Abdominal CT. Axial slice 61/83
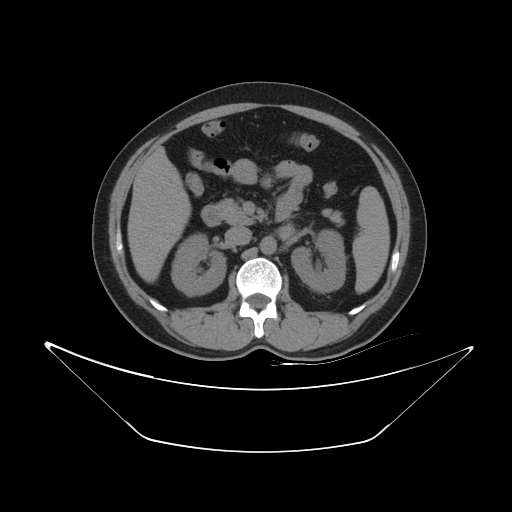 Boxes: x1:y1:x2:y2 in pixels. 8 labeled organs on this slice — aorta at 260:236:276:255; duodenum at 201:205:220:226; liver at 127:145:191:282; pancreas at 215:199:344:225; spleen at 352:186:390:293; left kidney at 291:229:345:292; right kidney at 171:233:226:296; inferior vena cava at 225:226:251:244.